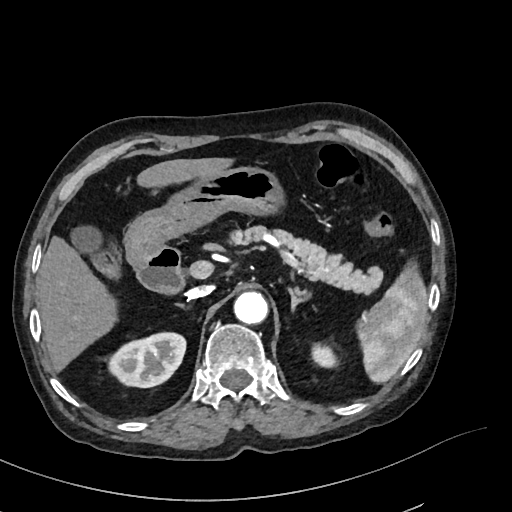
CT, abdomen/pelvis · axial view · soft-tissue window · acquired on SOMATOM Force
{"organs":{"spleen":[359,269,426,381],"right kidney":[109,331,186,388],"left kidney":[312,342,335,366],"gall bladder":[73,228,99,251],"liver":[36,158,228,369],"stomach":[124,167,280,267],"aorta":[233,291,268,323],"inferior vena cava":[186,285,212,298],"pancreas":[229,226,382,293],"left adrenal gland":[287,286,310,307],"duodenum":[136,246,185,296]}}